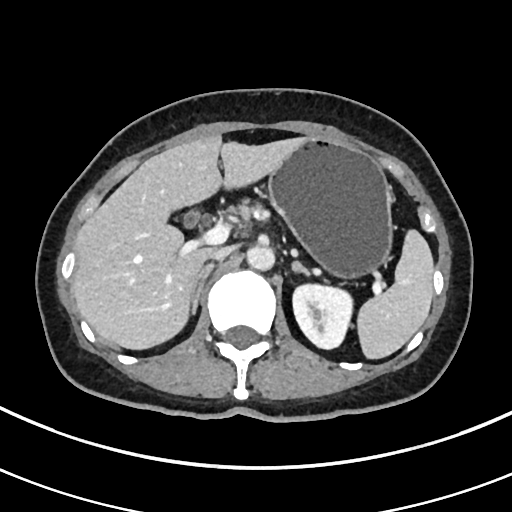

Computed tomography, abdomen; axial view; soft-tissue window; 15 organs annotated in this scan (counted over the whole 3D scan, not this slice; an organ is boxed only where this slice passes through it)
Boxes: x1 y1 x2 y2 (pixel coords, space-separated).
Organ bounding boxes:
- spleen: 358 228 433 358
- left kidney: 292 282 352 348
- liver: 72 135 304 348
- stomach: 267 138 392 276
- aorta: 246 244 274 270
- inferior vena cava: 209 246 231 259
- pancreas: 233 200 265 218
- right adrenal gland: 189 262 214 314
- left adrenal gland: 292 261 310 274